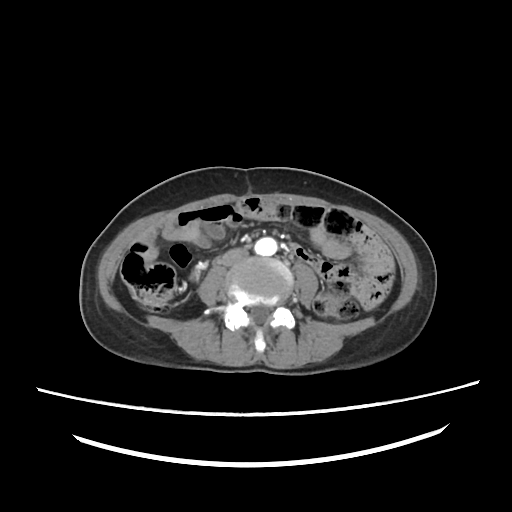
Abdominal CT — axial plane, index 39 — W/L 400/40 HU — 512x512 px — 58-year-old female patient
<organs><organ name="aorta" x1="255" y1="238" x2="277" y2="256"/><organ name="inferior vena cava" x1="223" y1="247" x2="247" y2="266"/></organs>